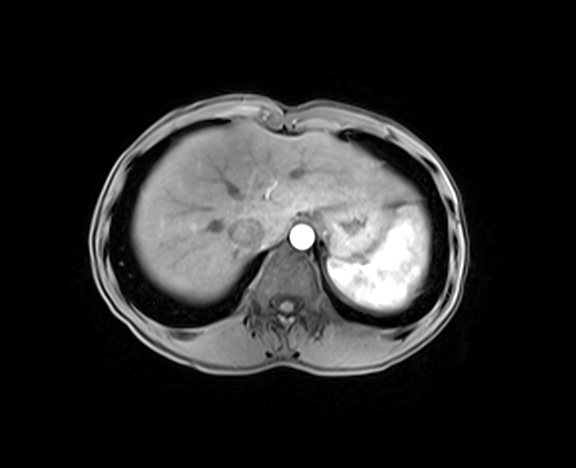
MRI, abdomen. axial view. percentile-normalized. scan has 13 labeled organs (that count is for the whole scan; organs this slice misses have no box)
Boxes are (x1, y1, x2, y2) in pixels.
Organ bounding boxes:
- spleen: (327, 201, 429, 309)
- liver: (132, 122, 399, 301)
- stomach: (315, 200, 387, 258)
- aorta: (290, 225, 313, 249)
- inferior vena cava: (226, 217, 264, 247)